CT, abdomen/pelvis. axial plane, index 111. soft-tissue window. 512x512 px
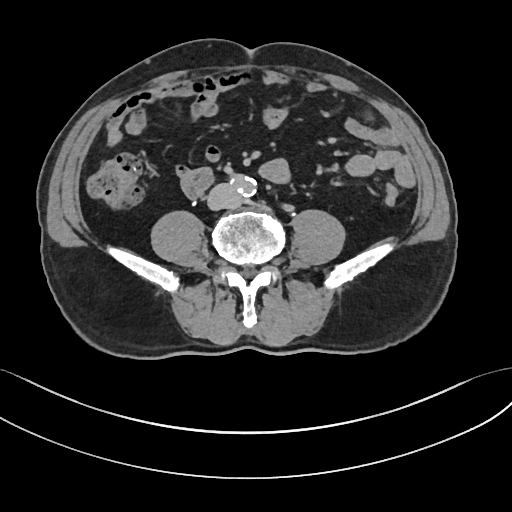

Organ boxes in pixel coordinates; each row gives the top-left (x1, y1) and bottom-right (x2, y2) corners.
| organ | x1 | y1 | x2 | y2 |
|---|---|---|---|---|
| aorta | 230 | 174 | 256 | 196 |
| inferior vena cava | 207 | 184 | 242 | 209 |
| duodenum | 181 | 169 | 211 | 197 |